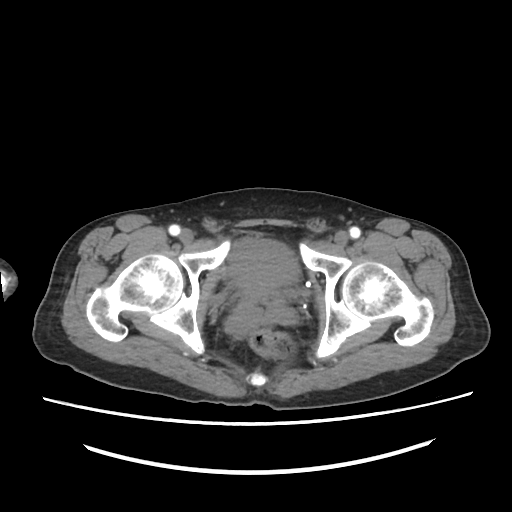
CT, abdomen/pelvis — Axial slice 19/132 — 512x512 px — 61-year-old male patient
Box edges are left/top/right/bottom in pixels.
Organ bounding boxes:
- bladder: left=228, top=238, right=300, bottom=288
- prostate/uterus: left=245, top=289, right=278, bottom=298